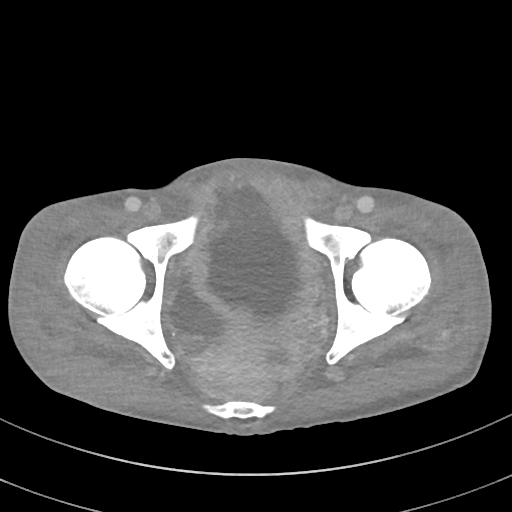

CT abdomen · axial view
Each box given as x1,y1,x2,y2.
bladder: x1=169, y1=265, x2=226, y2=337